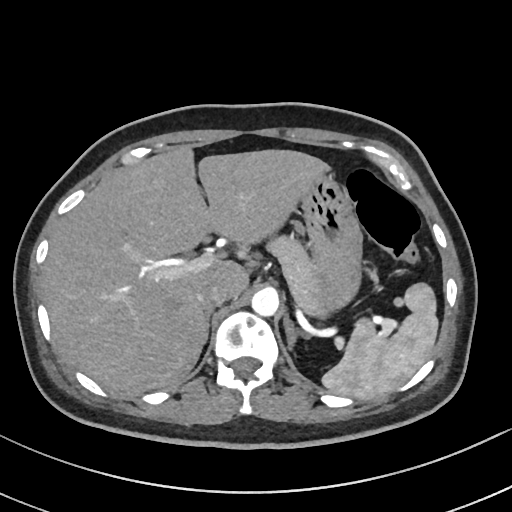 Computed tomography, abdomen — axial view — 512x512 px — 15 organs annotated in this scan (counted over the whole 3D scan, not this slice; an organ is boxed only where this slice passes through it)
Boxes are (x1, y1, x2, y2) in pixels.
Organ bounding boxes:
- spleen: (322, 283, 438, 399)
- liver: (42, 145, 331, 396)
- stomach: (302, 176, 362, 319)
- aorta: (251, 289, 279, 316)
- inferior vena cava: (196, 283, 227, 310)
- pancreas: (266, 237, 321, 314)
- right adrenal gland: (207, 313, 209, 326)
- left adrenal gland: (283, 318, 301, 354)